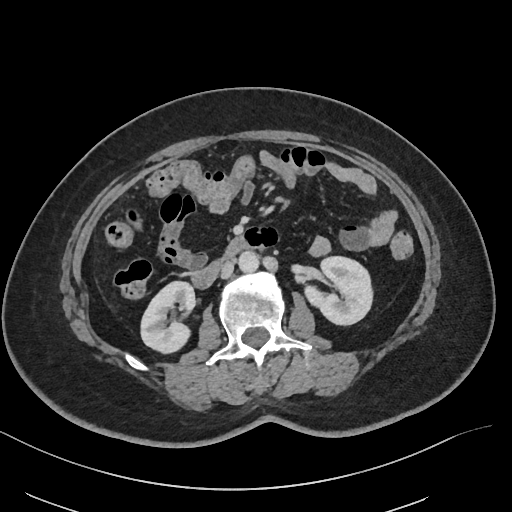 Computed tomography, abdomen. axial plane, index 146
Boxes: x1:y1:x2:y2 in pixels.
Organ bounding boxes:
- right kidney: 140:281:195:353
- left kidney: 305:255:373:324
- aorta: 239:250:259:271
- inferior vena cava: 220:260:234:277
- duodenum: 193:236:248:287